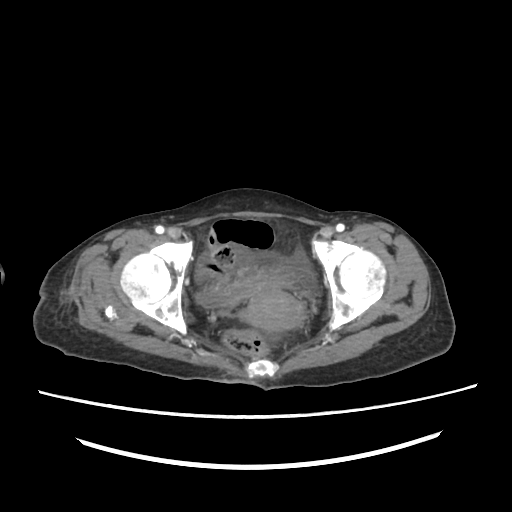
Computed tomography, abdomen — axial view
Each box given as x1,y1,x2,y2.
bladder: x1=198, y1=271, x2=286, y2=306
prostate/uterus: x1=244, y1=288, x2=303, y2=331